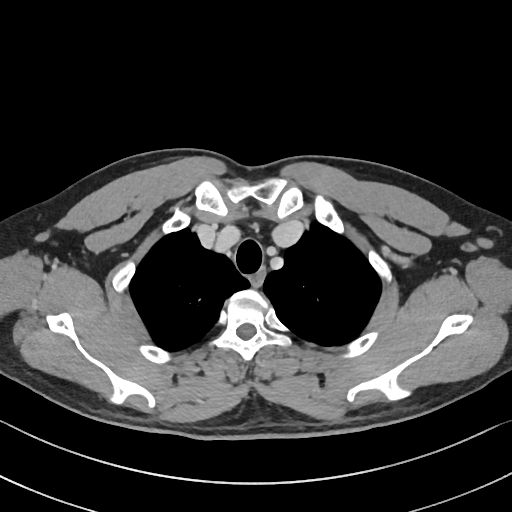 Chest-level slice from an abdominal CT that extends up into the chest · axial view · scan has 15 labeled organs (a whole-scan count: organs this slice does not pass through have no box)
At this level of the chest this dataset labels only the esophagus and the aorta, and each is boxed only where it is labeled; the heart and lungs are never labeled.
Each box given as x1,y1,x2,y2.
Organ bounding boxes:
- esophagus: x1=249, y1=267, x2=264, y2=287